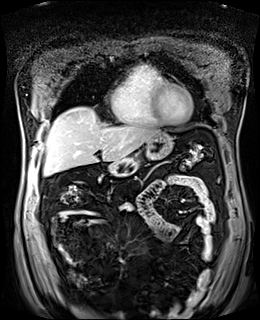
Magnetic resonance imaging, abdomen. coronal plane, index 108. percentile-normalized. 260x320 px. scan has 13 labeled organs (counted over the whole 3D scan, not this slice; an organ is boxed only where this slice passes through it)
<organs><organ name="liver" x1="44" y1="107" x2="160" y2="175"/><organ name="stomach" x1="109" y1="133" x2="172" y2="176"/></organs>